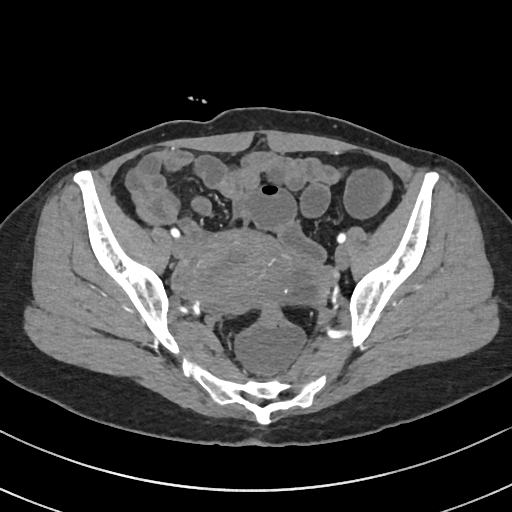 CT abdomen; axial plane, index 78; abdomen soft-tissue window; acquired on SOMATOM Force
<organs><organ name="prostate/uterus" x1="190" y1="231" x2="280" y2="302"/></organs>